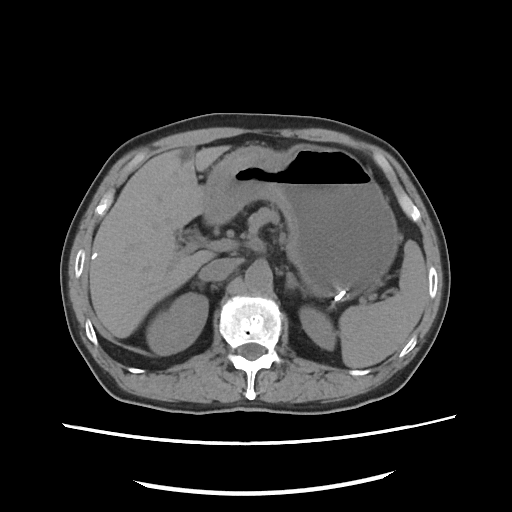

CT abdomen; axial view; scan has 15 labeled organs (counted over the whole 3D scan, not this slice; an organ is boxed only where this slice passes through it)
Bounding boxes as [x1, y1, x2, y2] in pixel coordinates.
liver: [89, 145, 229, 338]
right kidney: [148, 292, 208, 355]
spleen: [339, 240, 427, 368]
aorta: [244, 262, 272, 291]
left adrenal gland: [286, 272, 306, 297]
stomach: [204, 145, 400, 297]
pancreas: [250, 208, 278, 224]
inferior vena cava: [200, 258, 239, 280]
left kidney: [299, 306, 336, 350]